Lower-chest slice from an abdominal CT, just above the liver and spleen — axial view — scan has 15 labeled organs (counted over the whole 3D scan, not this slice; an organ is boxed only where this slice passes through it)
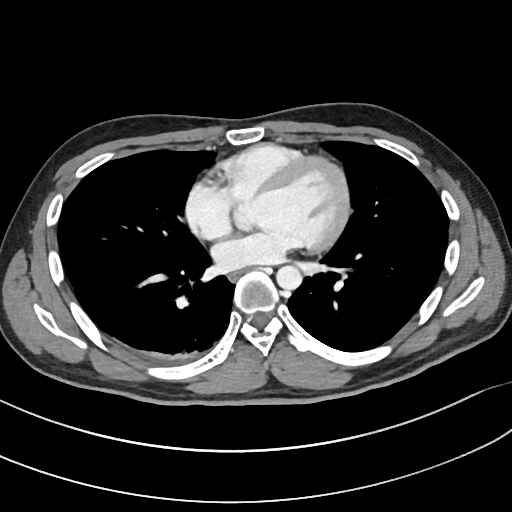 The heart and lungs are never labeled in this dataset, so they have no box on this slice.
<organs><organ name="esophagus" x1="229" y1="270" x2="243" y2="282"/><organ name="aorta" x1="276" y1="265" x2="302" y2="290"/></organs>